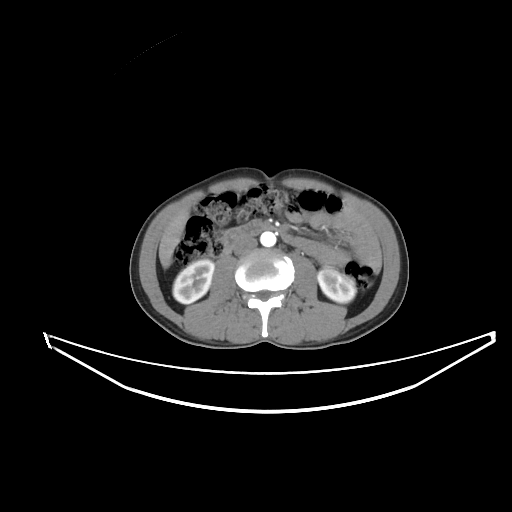
CT abdomen; axial view; soft-tissue window; 512x512 px; 52-year-old male patient
{"organs":{"right kidney":[173,259,214,303],"left kidney":[317,268,355,303],"liver":[158,208,189,268],"aorta":[260,231,276,246],"inferior vena cava":[233,237,257,255],"duodenum":[223,221,291,253]}}